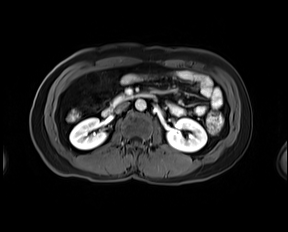

Magnetic resonance imaging, abdomen. axial view
{"organs":{"right kidney":[69,118,106,149],"left kidney":[167,118,206,152],"aorta":[135,99,146,110],"inferior vena cava":[116,102,128,112],"pancreas":[113,96,125,104],"duodenum":[102,93,152,116]}}